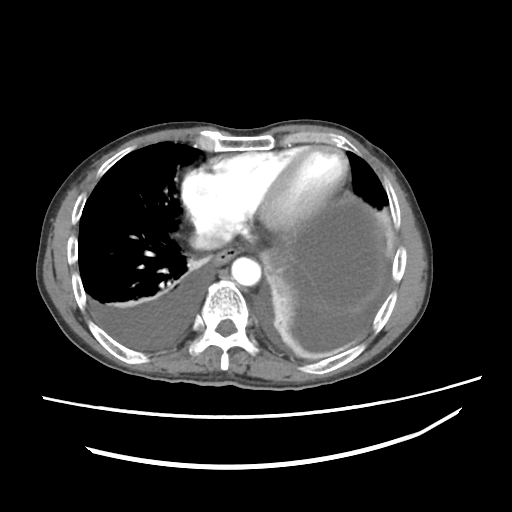
CT, abdomen/pelvis. axial view. abdomen soft-tissue window. 512x512 px. 50-year-old male patient
Boxes: x1:y1:x2:y2 in pixels. 3 labeled organs on this slice — aorta at 232:257:261:285; esophagus at 211:246:242:269; inferior vena cava at 189:227:230:251.